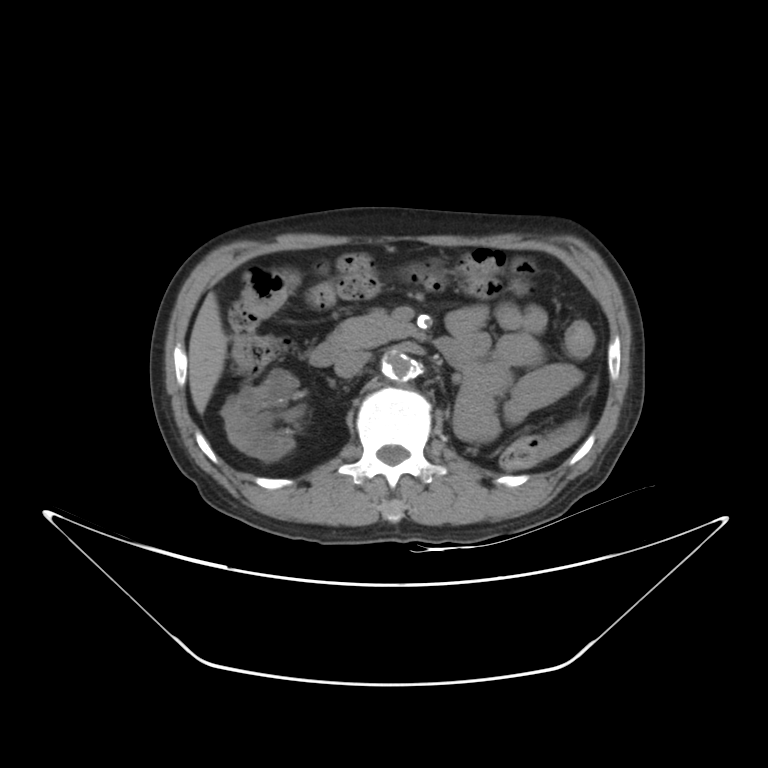
Computed tomography, abdomen; axial view; 59-year-old male patient; scan has 14 labeled organs (a whole-scan count: organs this slice does not pass through have no box)
Bounding boxes as [x1, y1, x2, y2] in pixel coordinates.
right kidney: [221, 369, 299, 461]
liver: [189, 292, 227, 413]
aorta: [382, 351, 417, 381]
inferior vena cava: [334, 351, 368, 377]
pancreas: [328, 309, 417, 349]
duodenum: [309, 337, 470, 366]